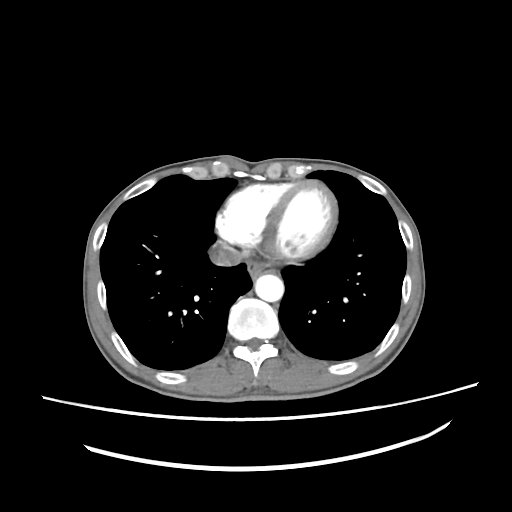
Abdominal CT; this slice is in the lower chest, just above the liver; axial plane, index 88; soft-tissue window; 50-year-old male patient
No part of the heart or lungs is labeled in this dataset, so neither has a box here. Coordinates as <box>x1,y1,x2,y2</box> in pixels. Labeled organs on this slice: esophagus at <box>247,261,269,279</box>, inferior vena cava at <box>209,246,242,266</box>, aorta at <box>255,274,283,301</box>.